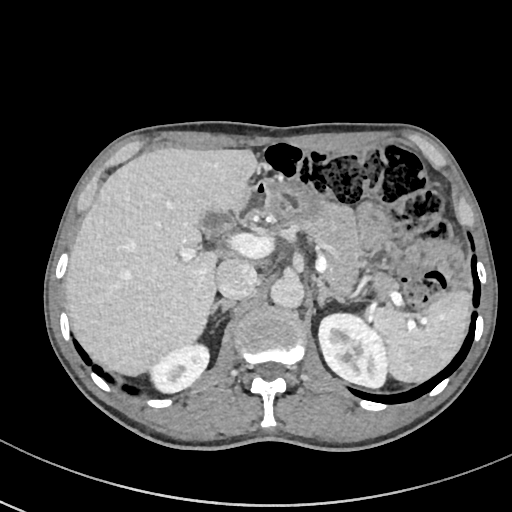 CT abdomen — axial view — 512x512 px
Box edges are left/top/right/bottom in pixels. 12 labeled organs on this slice — spleen at left=372, top=291, right=472, bottom=382; right kidney at left=149, top=343, right=210, bottom=393; left kidney at left=319, top=311, right=388, bottom=388; gall bladder at left=197, top=206, right=234, bottom=237; liver at left=66, top=148, right=256, bottom=375; stomach at left=262, top=180, right=320, bottom=219; aorta at left=270, top=276, right=303, bottom=307; inferior vena cava at left=215, top=257, right=258, bottom=299; pancreas at left=273, top=203, right=396, bottom=298; right adrenal gland at left=212, top=298, right=233, bottom=310; left adrenal gland at left=316, top=277, right=344, bottom=304; duodenum at left=230, top=181, right=264, bottom=221.